CT, abdomen/pelvis. axial view. soft-tissue window (W 400 / L 40). 59-year-old male patient. Brilliance16 scanner
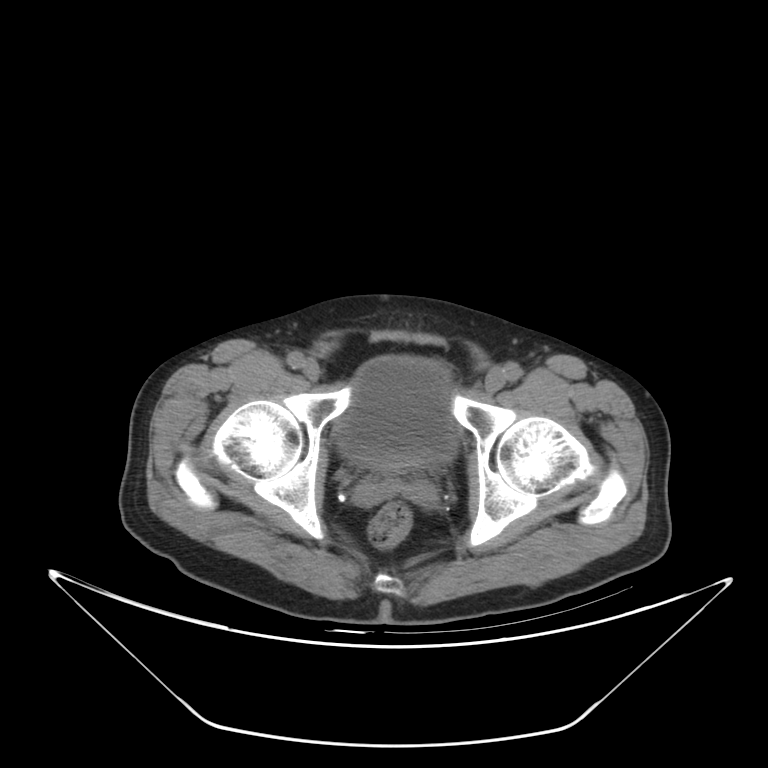

Bounding boxes in pixels, one row per box: x1, y1 is the top-left corner and x2, y2 the bottom-right.
| organ | x1 | y1 | x2 | y2 |
|---|---|---|---|---|
| bladder | 338 | 356 | 454 | 464 |
| prostate/uterus | 374 | 455 | 419 | 474 |